Abdominal CT. axial plane, index 56. soft-tissue window
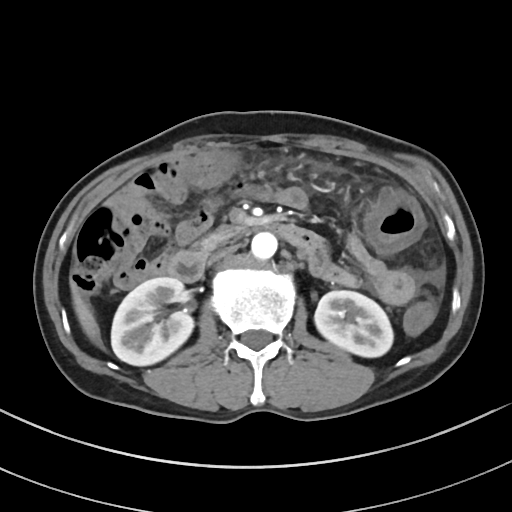

Box edges are left/top/right/bottom in pixels.
right kidney: left=111, top=277, right=193, bottom=365
liver: left=71, top=284, right=100, bottom=344
pancreas: left=200, top=224, right=246, bottom=251
duodenum: left=165, top=224, right=322, bottom=282
left kidney: left=314, top=290, right=393, bottom=357
aorta: left=251, top=232, right=277, bottom=259
inferior vena cava: left=208, top=245, right=237, bottom=264